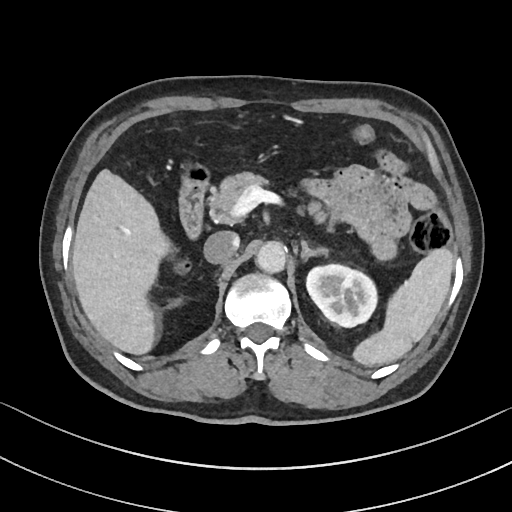
Abdominal CT · Axial slice 169/221 · abdomen soft-tissue window · acquired on SOMATOM Force
{"organs":{"pancreas":[211,171,336,234],"liver":[72,167,171,356],"aorta":[255,242,287,274],"spleen":[351,248,452,367],"duodenum":[177,161,211,235],"left kidney":[307,264,378,326],"inferior vena cava":[204,232,238,264],"left adrenal gland":[301,241,325,262]}}